Computed tomography, abdomen — axial view — SOMATOM Force scanner
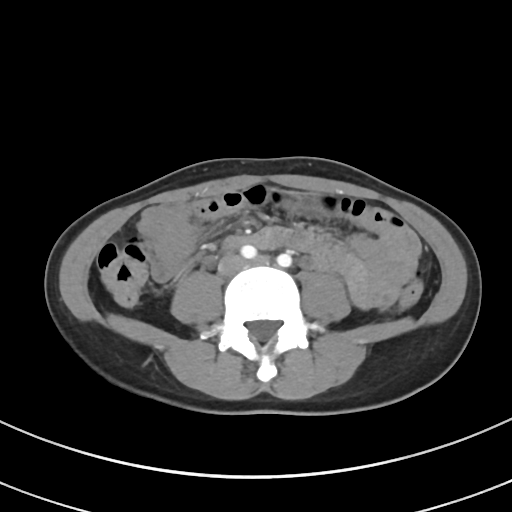

<organs><organ name="stomach" x1="285" y1="193" x2="320" y2="210"/><organ name="inferior vena cava" x1="218" y1="256" x2="243" y2="275"/></organs>